CT abdomen; Axial slice 73/93; soft-tissue window; 768x768 px; 51-year-old male patient; acquired on Brilliance16
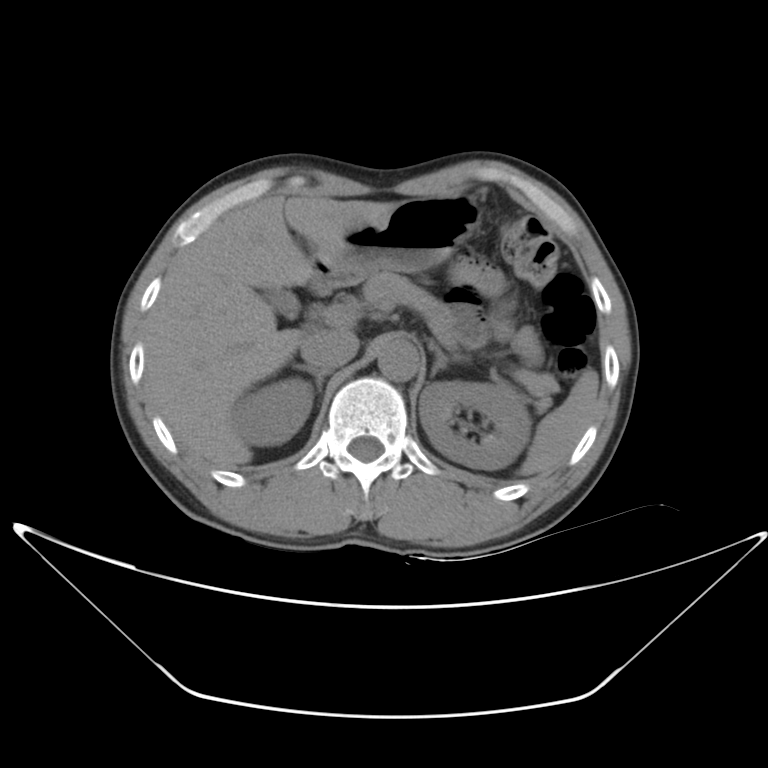

Boxes: x1 y1 x2 y2 (pixel coords, space-separated).
Organ bounding boxes:
- right kidney: 232 379 313 445
- gall bladder: 262 289 296 315
- right adrenal gland: 292 365 326 388
- stomach: 311 194 483 291
- left kidney: 417 379 527 470
- pancreas: 362 270 559 410
- aorta: 373 341 418 380
- left adrenal gland: 430 341 451 378
- spleen: 520 370 597 475
- liver: 146 196 397 466
- inferior vena cava: 300 327 359 366